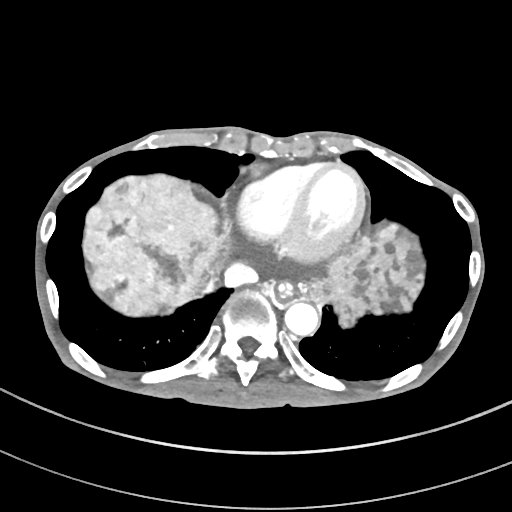 CT abdomen — axial view — abdomen soft-tissue window
Boxes: x1:y1:x2:y2 in pixels. The annotated organs in this slice are: esophagus at 276:283:293:301, liver at 82:174:425:327, aorta at 285:301:319:336, inferior vena cava at 225:262:257:286.